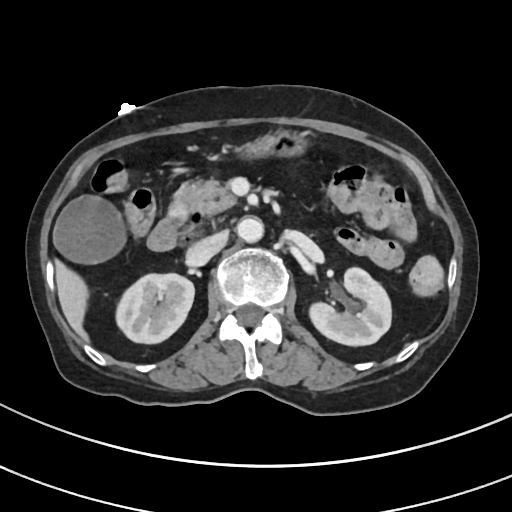

Computed tomography, abdomen; axial view; 512x512 px; scan has 15 labeled organs (that count is for the whole scan; organs this slice misses have no box)
One row per box, in pixels: columns x1 and y1 give the top-left corner, x2 and y2 the bottom-right.
| organ | x1 | y1 | x2 | y2 |
|---|---|---|---|---|
| right kidney | 116 | 273 | 194 | 343 |
| liver | 55 | 263 | 91 | 343 |
| left kidney | 309 | 266 | 391 | 345 |
| duodenum | 147 | 213 | 227 | 250 |
| aorta | 237 | 216 | 263 | 242 |
| pancreas | 170 | 179 | 234 | 216 |
| stomach | 249 | 132 | 304 | 155 |
| gall bladder | 54 | 197 | 122 | 262 |
| inferior vena cava | 188 | 230 | 228 | 263 |